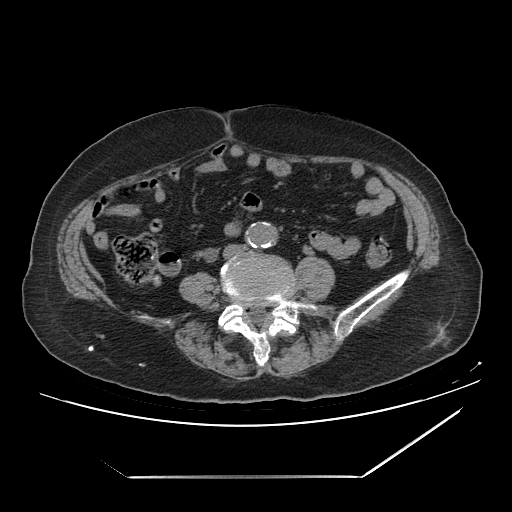

CT abdomen · axial plane, index 75 · soft-tissue window (W 400 / L 40) · 15 organs annotated in this scan (that count is for the whole scan; organs this slice misses have no box)
One row per box, in pixels: columns x1 and y1 give the top-left corner, x2 and y2 the bottom-right.
| organ | x1 | y1 | x2 | y2 |
|---|---|---|---|---|
| aorta | 244 | 223 | 274 | 247 |